CT abdomen · axial view · soft-tissue window · 512x512 px
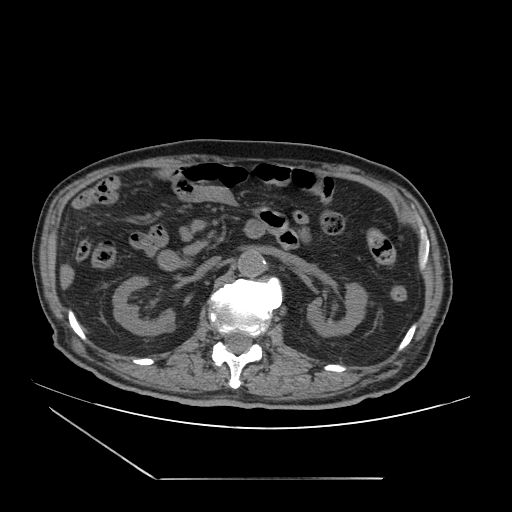
<organs><organ name="inferior vena cava" x1="195" y1="257" x2="220" y2="274"/><organ name="pancreas" x1="182" y1="242" x2="207" y2="254"/><organ name="right kidney" x1="113" y1="277" x2="177" y2="336"/><organ name="duodenum" x1="158" y1="220" x2="295" y2="270"/><organ name="left kidney" x1="306" y1="284" x2="366" y2="338"/><organ name="aorta" x1="236" y1="252" x2="264" y2="277"/></organs>